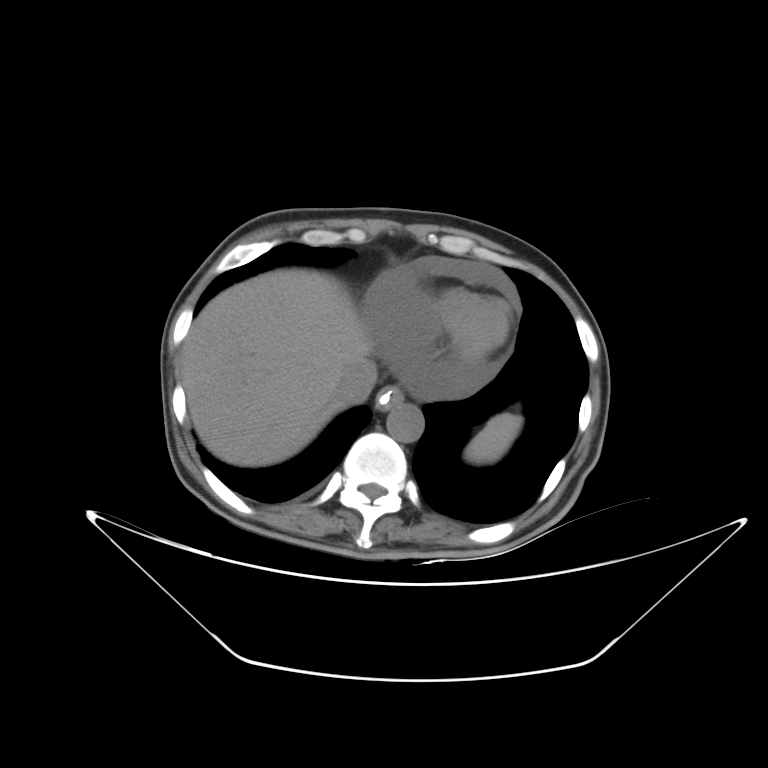

Abdominal CT — axial view — 768x768 px — 55-year-old male patient
{"organs":{"spleen":[465,413,522,463],"esophagus":[378,387,404,409],"liver":[181,268,372,466],"aorta":[386,403,424,442],"inferior vena cava":[334,358,377,405]}}